Abdominal CT · axial view · soft-tissue window · 512x512 px
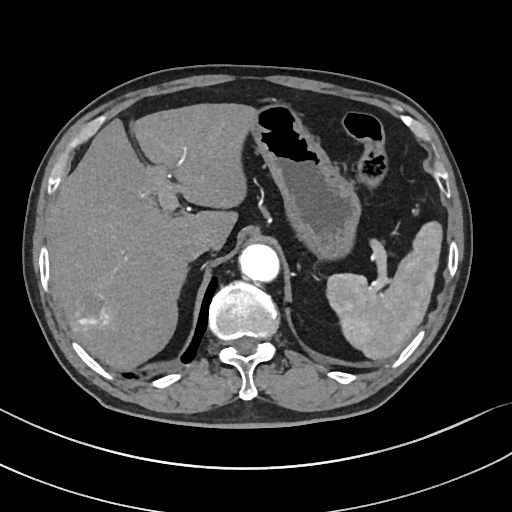 Each box given as x1,y1,x2,y2.
spleen: x1=327, y1=221, x2=442, y2=359
liver: x1=47, y1=104, x2=258, y2=368
stomach: x1=252, y1=105, x2=359, y2=258
aorta: x1=240, y1=245, x2=280, y2=282
inferior vena cava: x1=179, y1=233, x2=210, y2=260
right adrenal gland: x1=176, y1=268, x2=186, y2=299